Computed tomography, abdomen. axial view
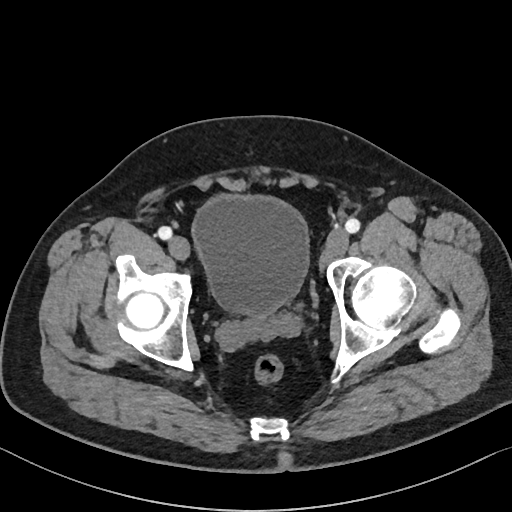

Coordinates as <box>x1,y1,x2,y2</box> in pixels.
bladder: <box>192,195,308,314</box>